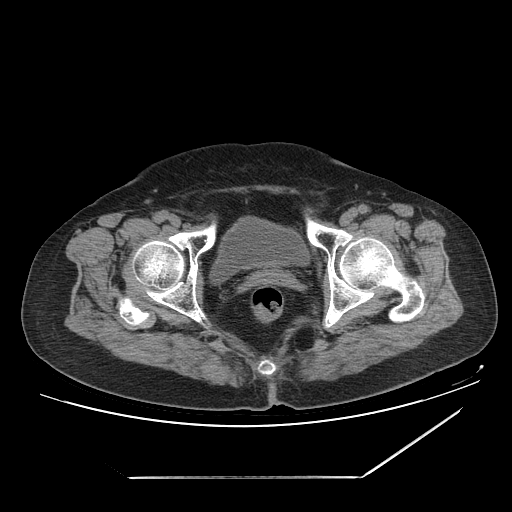 CT, abdomen/pelvis. axial view. 512x512 px. 15 organs annotated in this scan (a whole-scan count: organs this slice does not pass through have no box)
{"organs":{"bladder":[210,217,309,283],"prostate/uterus":[255,272,282,283]}}